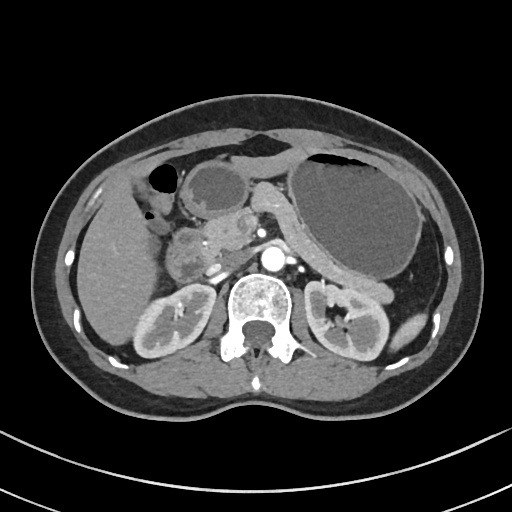

Abdominal CT · axial view · W/L 400/40 HU · 512x512 px · scan has 15 labeled organs (counted over the whole 3D scan, not this slice; an organ is boxed only where this slice passes through it)
Bounding boxes as [x1, y1, x2, y2] in pixel coordinates. 9 labeled organs on this slice — stomach at [181, 148, 421, 275]; duodenum at [167, 230, 211, 282]; right kidney at [131, 284, 215, 357]; inferior vena cava at [217, 251, 246, 270]; spleen at [391, 313, 427, 348]; left kidney at [305, 281, 390, 360]; pancreas at [202, 184, 392, 301]; aorta at [261, 245, 284, 270]; liver at [77, 146, 311, 342].